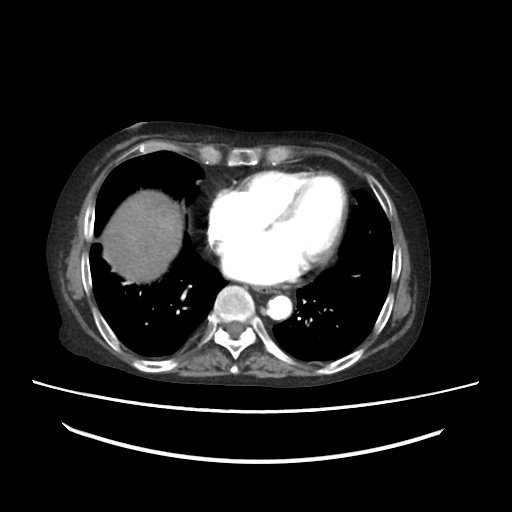 Computed tomography, abdomen; Axial slice 85/89; W/L 400/40 HU; 61-year-old female patient; Aquilion ONE scanner
{"organs":{"esophagus":[252,284,277,293],"liver":[99,190,185,283],"aorta":[266,296,292,320],"inferior vena cava":[214,239,229,259]}}